CT, abdomen/pelvis; axial plane, index 20; soft-tissue window; 50-year-old male patient
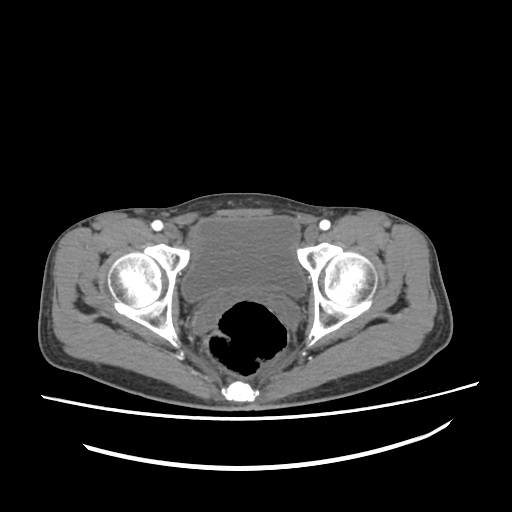
{"organs":{"bladder":[182,216,305,301]}}